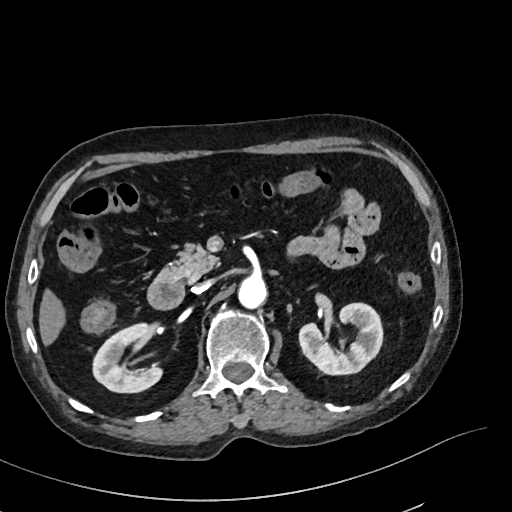
CT abdomen · axial view · soft-tissue window (W 400 / L 40) · 15 organs annotated in this scan (counted over the whole 3D scan, not this slice; an organ is boxed only where this slice passes through it)
Bounding boxes as [x1, y1, x2, y2] in pixel coordinates.
Organ bounding boxes:
- right kidney: [91, 325, 162, 393]
- left kidney: [298, 303, 382, 375]
- liver: [38, 290, 64, 346]
- aorta: [238, 276, 266, 309]
- inferior vena cava: [192, 280, 213, 294]
- pancreas: [156, 244, 218, 282]
- duodenum: [145, 278, 184, 309]